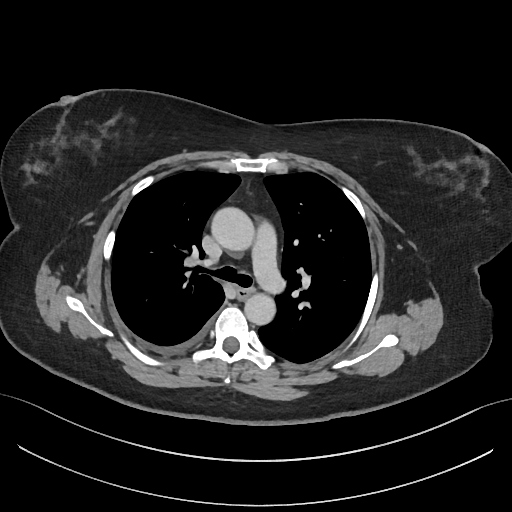 Chest-level CT slice, above the liver and spleen; axial plane, index 252; 512x512 px
At this level of the chest this dataset labels only the esophagus and the aorta, and each is boxed only where it is labeled; the heart and lungs are never labeled.
{"organs":{"aorta":[[212,208,256,252],[244,292,276,325]],"esophagus":[237,287,253,298]}}